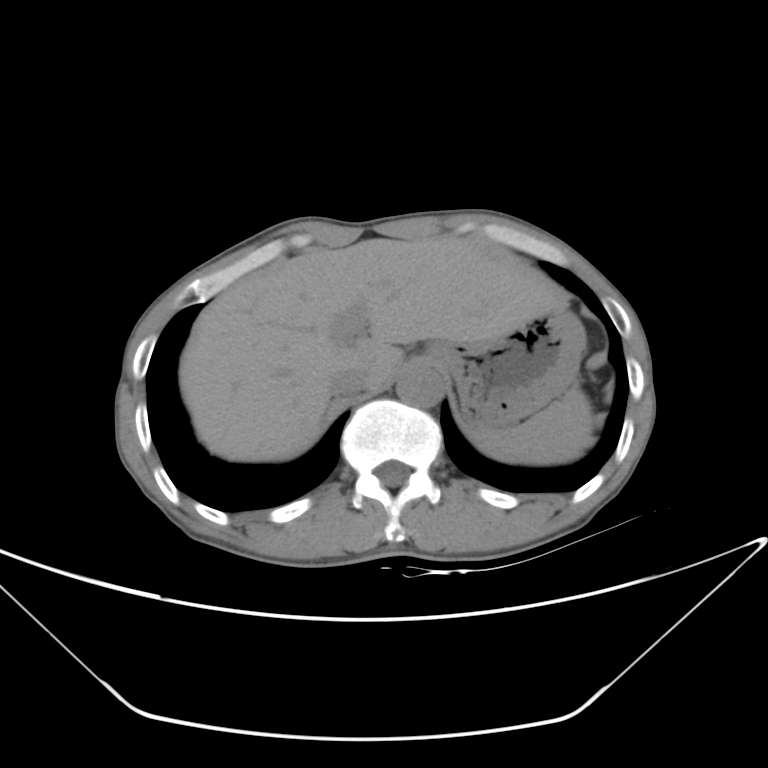 Computed tomography, abdomen. axial view. W/L 400/40 HU
Coordinates as <box>x1,y1,x2,y2</box> in pixels.
Organ bounding boxes:
- spleen: <box>477,388,593,464</box>
- aorta: <box>396,365,444,407</box>
- inferior vena cava: <box>328,366,368,395</box>
- stomach: <box>426,309,585,430</box>
- liver: <box>179,235,568,461</box>